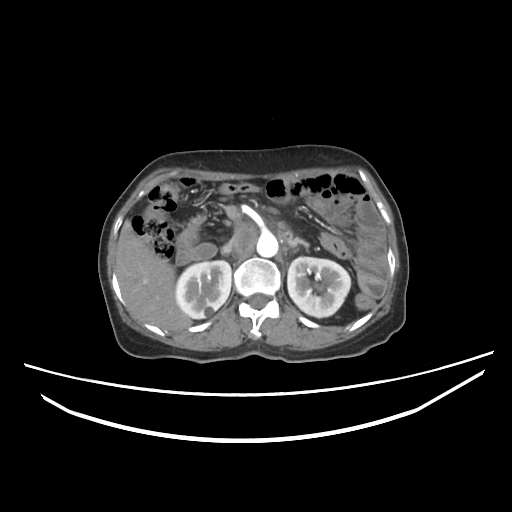

CT, abdomen/pelvis; axial view; soft-tissue window (W 400 / L 40); acquired on Aquilion ONE
<organs><organ name="left adrenal gland" x1="288" y1="238" x2="310" y2="247"/><organ name="right kidney" x1="175" y1="259" x2="230" y2="318"/><organ name="duodenum" x1="176" y1="221" x2="217" y2="264"/><organ name="inferior vena cava" x1="220" y1="229" x2="245" y2="253"/><organ name="left kidney" x1="288" y1="256" x2="350" y2="316"/><organ name="liver" x1="116" y1="219" x2="192" y2="331"/><organ name="aorta" x1="256" y1="231" x2="278" y2="257"/></organs>